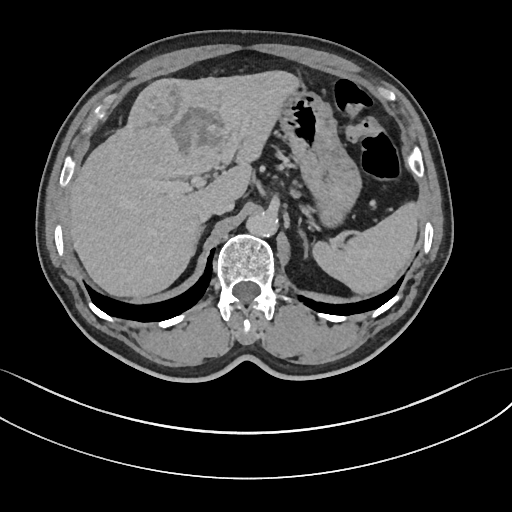

CT, abdomen/pelvis. axial view. soft-tissue window (W 400 / L 40). 512x512 px. SOMATOM Force scanner
Box edges are left/top/right/bottom in pixels.
aorta: left=246, top=211, right=278, bottom=236
spleen: left=312, top=202, right=418, bottom=293
left adrenal gland: left=299, top=219, right=308, bottom=257
stomach: left=279, top=88, right=361, bottom=227
liver: left=68, top=70, right=300, bottom=297
right adrenal gland: left=199, top=225, right=205, bottom=237
inferior vena cava: left=198, top=194, right=234, bottom=220